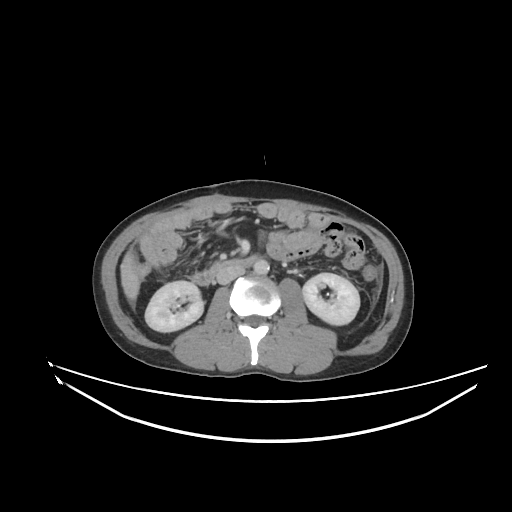 CT, abdomen/pelvis — axial view — 47-year-old male patient
<organs><organ name="right kidney" x1="145" y1="281" x2="203" y2="332"/><organ name="left kidney" x1="302" y1="273" x2="359" y2="325"/><organ name="liver" x1="120" y1="251" x2="139" y2="300"/><organ name="aorta" x1="253" y1="259" x2="269" y2="274"/><organ name="inferior vena cava" x1="216" y1="267" x2="245" y2="284"/><organ name="duodenum" x1="192" y1="255" x2="256" y2="285"/></organs>